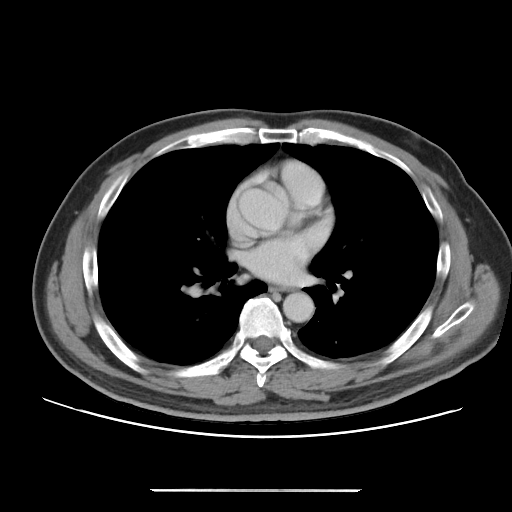 Lower-chest slice from an abdominal CT, just above the liver and spleen. axial view
No part of the heart or lungs is labeled in this dataset, so neither has a box here. Each box given as x1,y1,x2,y2. The annotated organs in this slice are: esophagus at x1=270, y1=286, x2=289, y2=291, aorta at x1=239, y1=189, x2=286, y2=231, aorta at x1=283, y1=292, x2=314, y2=322.